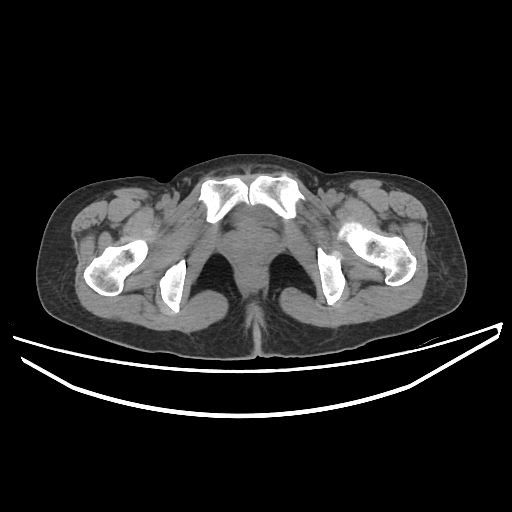
Abdominal CT — axial view
Boxes: x1 y1 x2 y2 (pixel coords, space-separated). 1 labeled organ on this slice — bladder at 236 208 275 226.